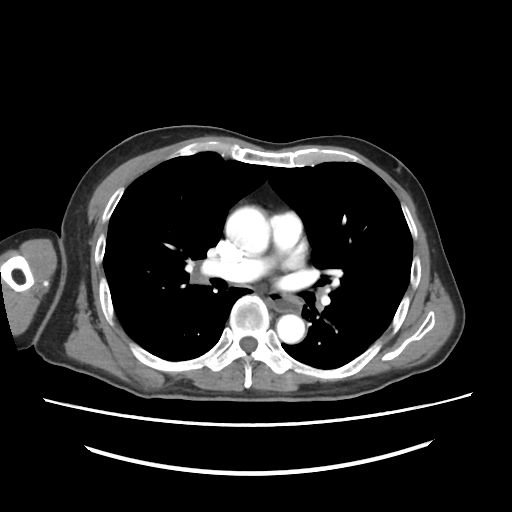

Chest-level CT slice, above the liver and spleen; axial plane, index 106; 61-year-old male patient; Aquilion ONE scanner
At this level of the chest no structure but the esophagus and the aorta has a label in this dataset, and those two are boxed only where they are labeled. Boxes: x1:y1:x2:y2 in pixels. 2 labeled organs on this slice — aorta at 226:205:271:255; aorta at 276:314:305:344; esophagus at 263:291:302:312.